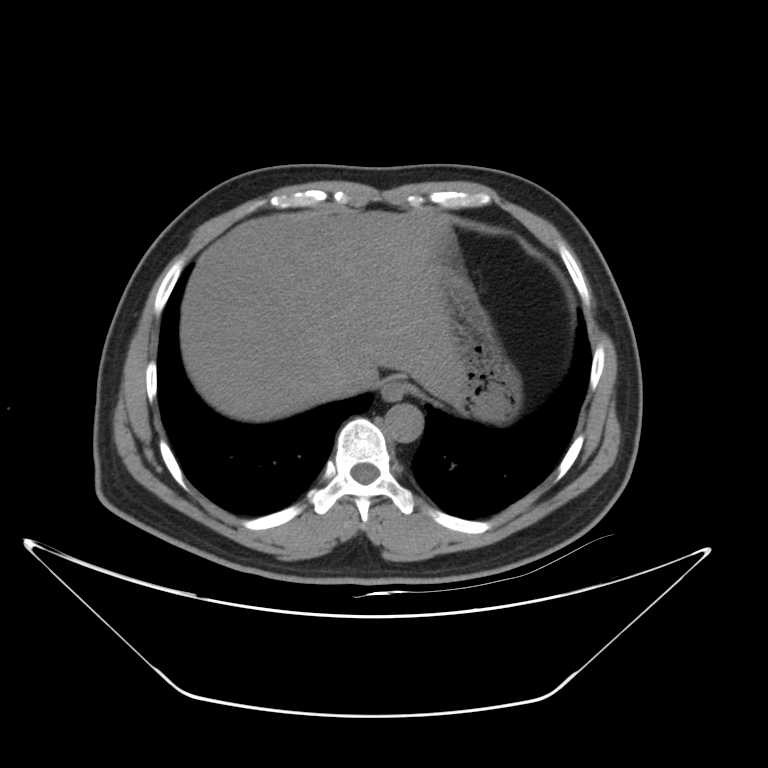

CT, abdomen/pelvis. axial view. scan has 15 labeled organs (that count is for the whole scan; organs this slice misses have no box)
<organs><organ name="esophagus" x1="381" y1="380" x2="405" y2="401"/><organ name="liver" x1="180" y1="210" x2="453" y2="422"/><organ name="stomach" x1="442" y1="271" x2="521" y2="424"/><organ name="aorta" x1="384" y1="403" x2="423" y2="442"/><organ name="inferior vena cava" x1="323" y1="365" x2="362" y2="395"/></organs>